CT abdomen. axial view. soft-tissue window. 768x768 px. 50-year-old male patient. Brilliance16 scanner
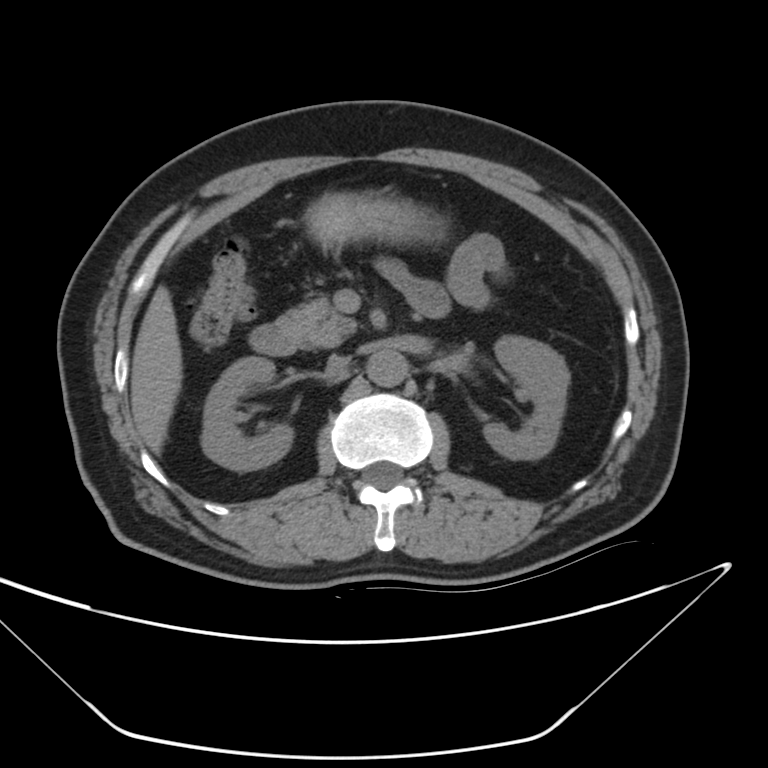

Bounding boxes in pixels, one row per box: x1, y1 is the top-left corner and x2, y2 the bottom-right.
| organ | x1 | y1 | x2 | y2 |
|---|---|---|---|---|
| right kidney | 202 | 356 | 290 | 469 |
| left kidney | 484 | 334 | 569 | 460 |
| liver | 131 | 285 | 181 | 453 |
| stomach | 306 | 195 | 435 | 242 |
| aorta | 366 | 345 | 408 | 387 |
| inferior vena cava | 324 | 357 | 349 | 377 |
| pancreas | 274 | 296 | 359 | 346 |
| duodenum | 248 | 326 | 300 | 356 |